CT, abdomen/pelvis. axial plane, index 50. soft-tissue window. 512x512 px. 46-year-old male patient
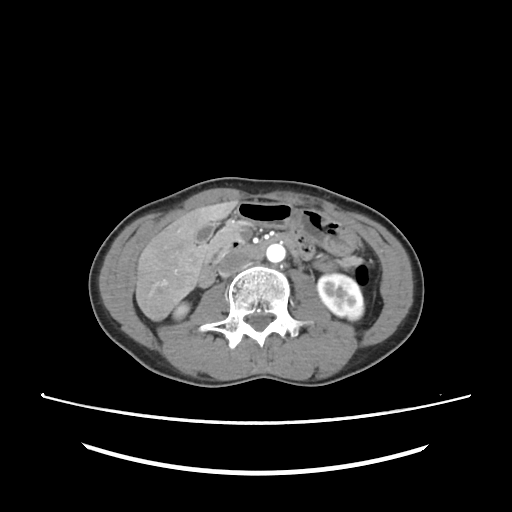

Bounding boxes as [x1, y1, x2, y2] in pixel coordinates. The annotated organs in this slice are: stomach at [236, 202, 357, 255], aorta at [266, 244, 285, 262], left kidney at [317, 274, 363, 319], right kidney at [174, 303, 188, 318], inferior vena cava at [218, 252, 248, 276], liver at [135, 201, 236, 320], gall bladder at [195, 222, 214, 243], pancreas at [205, 220, 360, 266], duodenum at [197, 231, 300, 287].